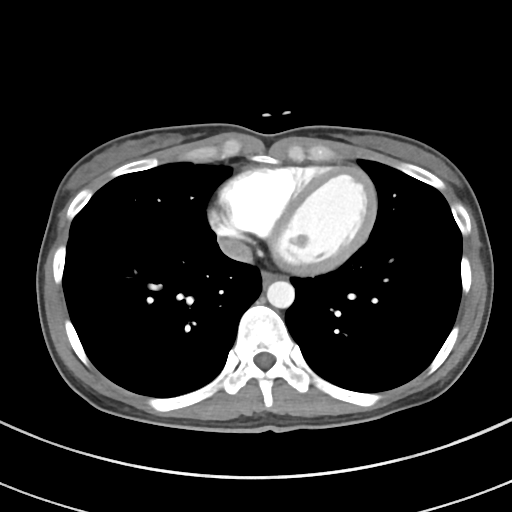
Lower-chest slice from an abdominal CT, just above the liver and spleen; Axial slice 81/121; soft-tissue window (W 400 / L 40); 512x512 px
No part of the heart or lungs is labeled in this dataset, so neither has a box here.
Each box given as x1,y1,x2,y2.
Organ bounding boxes:
- esophagus: x1=261, y1=271, x2=278, y2=285
- aorta: x1=266, y1=281, x2=294, y2=308
- inferior vena cava: x1=219, y1=239, x2=252, y2=263